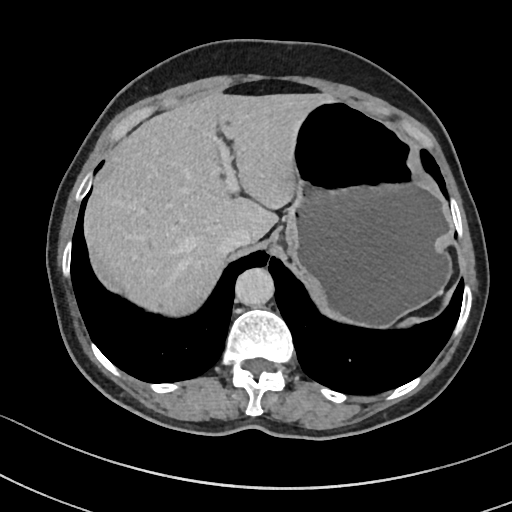

Abdominal CT; Axial slice 161/192; W/L 400/40 HU; 15 organs annotated in this scan (counted over the whole 3D scan, not this slice; an organ is boxed only where this slice passes through it)
Coordinates as <box>x1,y1,x2,y2</box> in pixels.
Organ bounding boxes:
- liver: <box>84,93,332,316</box>
- stomach: <box>285,100,450,325</box>
- aorta: <box>235,268,274,306</box>
- inferior vena cava: <box>218,228,251,253</box>